Abdominal CT — Axial slice 24/97 — soft-tissue window (W 400 / L 40) — 49-year-old female patient
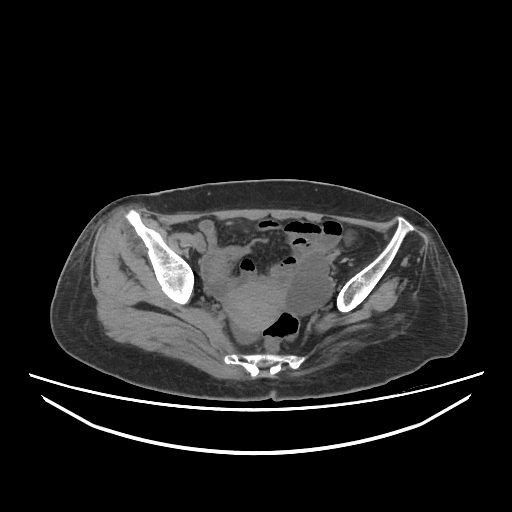

{"organs":{"prostate/uterus":[224,280,285,332]}}